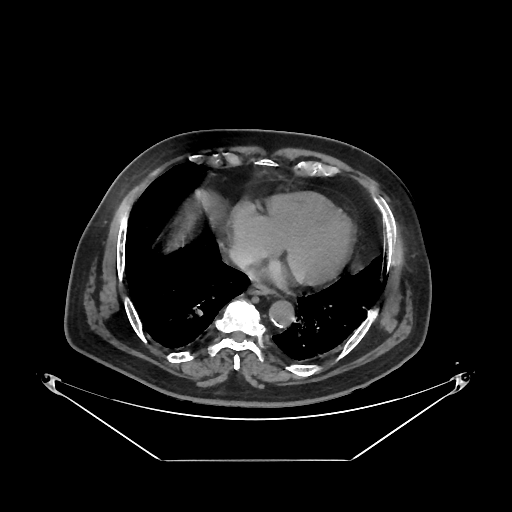
CT of the abdomen reaching into the lower chest, slice just above the liver and spleen; axial view; SOMATOM Force scanner
The heart and lungs are never labeled in this dataset, so they have no box on this slice.
<organs><organ name="esophagus" x1="248" y1="284" x2="272" y2="295"/><organ name="aorta" x1="268" y1="301" x2="294" y2="327"/><organ name="inferior vena cava" x1="228" y1="248" x2="254" y2="268"/></organs>